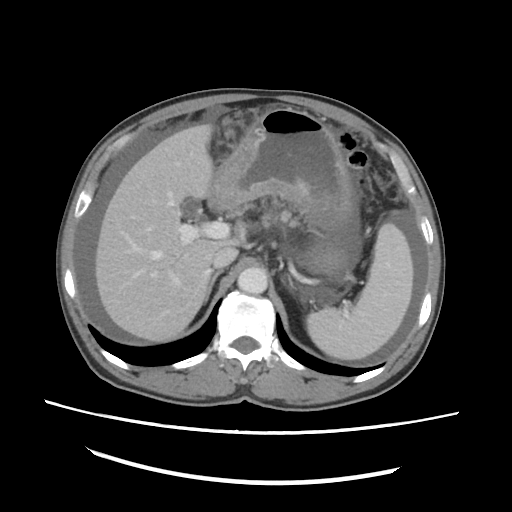 Computed tomography, abdomen; axial plane, index 58; abdomen soft-tissue window; acquired on Aquilion ONE
<organs><organ name="spleen" x1="306" y1="223" x2="413" y2="359"/><organ name="liver" x1="95" y1="124" x2="243" y2="341"/><organ name="stomach" x1="209" y1="108" x2="355" y2="279"/><organ name="aorta" x1="237" y1="267" x2="267" y2="294"/><organ name="inferior vena cava" x1="213" y1="246" x2="238" y2="267"/><organ name="right adrenal gland" x1="206" y1="270" x2="223" y2="301"/><organ name="left adrenal gland" x1="287" y1="277" x2="294" y2="291"/></organs>